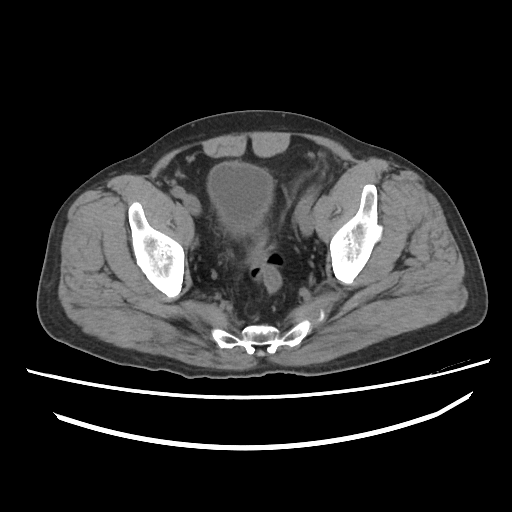
Computed tomography, abdomen · axial plane, index 30 · 48-year-old male patient · acquired on Aquilion ONE
Organ boxes in pixel coordinates; each row gives the top-left (x1, y1) and bottom-right (x2, y2) corners.
| organ | x1 | y1 | x2 | y2 |
|---|---|---|---|---|
| bladder | 208 | 162 | 273 | 234 |